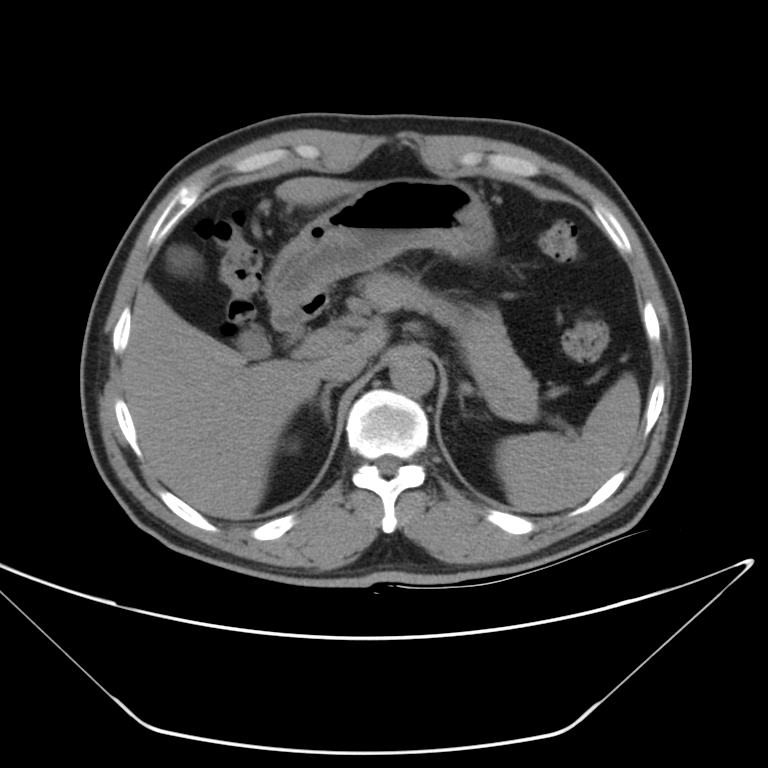
Computed tomography, abdomen — axial view — 768x768 px — Brilliance16 scanner — scan has 15 labeled organs (a whole-scan count: organs this slice does not pass through have no box)
Coordinates as <box>x1,y1,x2,y2</box> in pixels.
inferior vena cava: <box>321,354,368,384</box>
aorta: <box>389,351,436,398</box>
right kidney: <box>289,442,300,449</box>
liver: <box>121,177,388,520</box>
duodenum: <box>273,295,326,330</box>
stomach: <box>264,177,493,304</box>
gall bladder: <box>164,243,268,356</box>
left adrenal gland: <box>460,385,467,390</box>
pancreas: <box>364,271,539,418</box>
right adrenal gland: <box>318,385,334,421</box>
spleen: <box>494,374,639,512</box>